Computed tomography, abdomen. Axial slice 37/307. 512x512 px. SOMATOM Force scanner
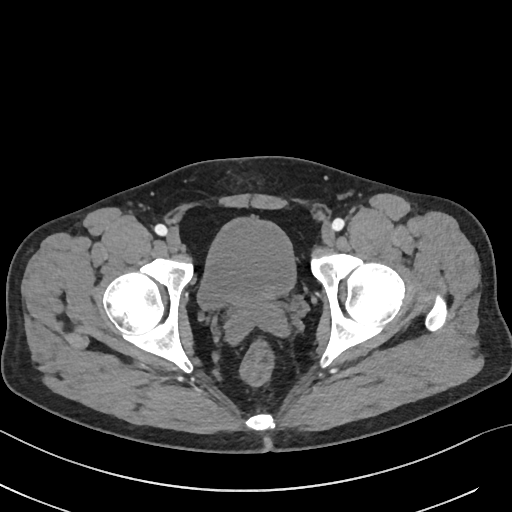

Boxes: x1:y1:x2:y2 in pixels. 2 labeled organs on this slice — bladder at 198:218:295:308; prostate/uterus at 234:294:274:315.